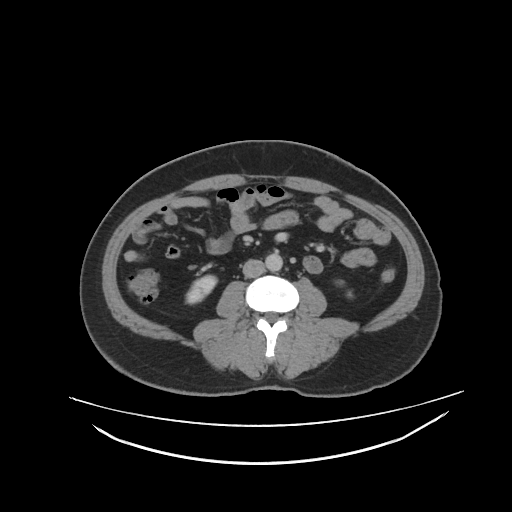
Computed tomography, abdomen — axial plane, index 53 — soft-tissue window (W 400 / L 40) — 512x512 px — 45-year-old male patient
Bounding boxes in pixels, one row per box: x1, y1 is the top-left corner and x2, y2 the bottom-right.
| organ | x1 | y1 | x2 | y2 |
|---|---|---|---|---|
| inferior vena cava | 243 | 259 | 265 | 277 |
| right kidney | 187 | 275 | 216 | 303 |
| aorta | 264 | 252 | 281 | 271 |